Lower-chest slice from an abdominal CT, just above the liver and spleen — axial view — 512x512 px
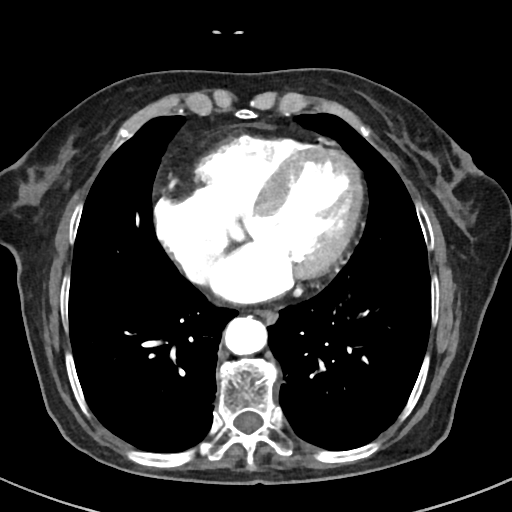

No part of the heart or lungs is labeled in this dataset, so neither has a box here.
Boxes: x1 y1 x2 y2 (pixel coords, space-separated).
Organ bounding boxes:
- esophagus: 256 310 278 325
- aorta: 224 317 268 355